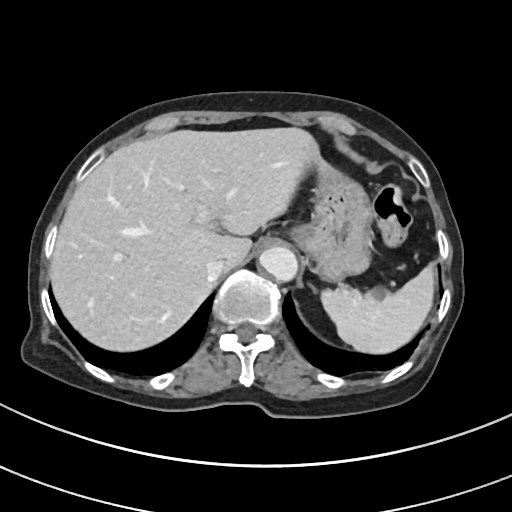

Abdominal CT. axial view. scan has 15 labeled organs (counted over the whole 3D scan, not this slice; an organ is boxed only where this slice passes through it)
Coordinates as <box>x1,y1,x2,y2</box> in pixels.
inferior vena cava: <box>205,259,226,279</box>
liver: <box>51,128,321,349</box>
aorta: <box>259,247,297,282</box>
stomach: <box>288,160,371,283</box>
spleen: <box>320,265,433,353</box>